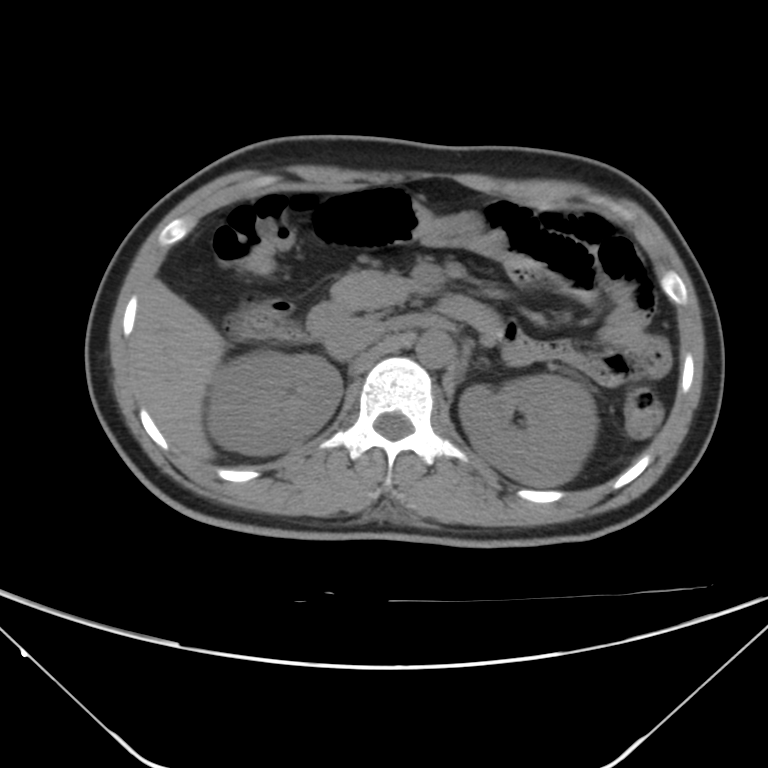 CT abdomen. axial view
<organs><organ name="right kidney" x1="207" y1="350" x2="342" y2="455"/><organ name="left kidney" x1="459" y1="374" x2="598" y2="486"/><organ name="liver" x1="132" y1="280" x2="225" y2="461"/><organ name="aorta" x1="415" y1="330" x2="453" y2="368"/><organ name="inferior vena cava" x1="324" y1="317" x2="383" y2="360"/><organ name="pancreas" x1="330" y1="270" x2="416" y2="310"/><organ name="duodenum" x1="308" y1="296" x2="501" y2="337"/></organs>